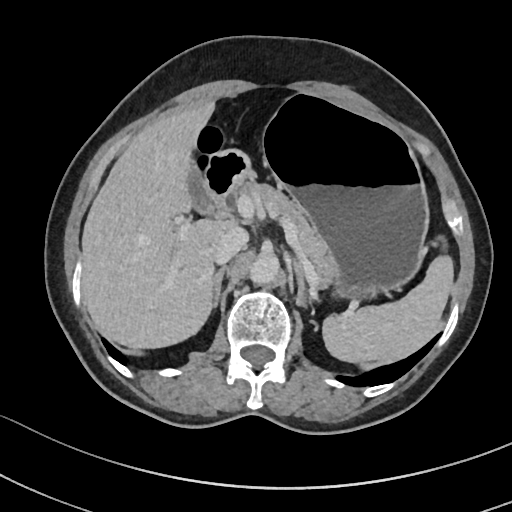 CT, abdomen/pelvis · axial view · abdomen soft-tissue window · 512x512 px
Box edges are left/top/right/bottom in pixels.
spleen: left=322, top=255, right=453, bottom=363
gall bladder: left=186, top=170, right=210, bottom=213
liver: left=81, top=100, right=231, bottom=349
stomach: left=268, top=95, right=428, bottom=299
aorta: left=250, top=251, right=279, bottom=283
inferior vena cava: left=213, top=226, right=248, bottom=264
pancreas: left=238, top=181, right=336, bottom=287
right adrenal gland: left=211, top=265, right=228, bottom=308
left adrenal gland: left=294, top=262, right=307, bottom=306
duodenum: left=203, top=149, right=251, bottom=210